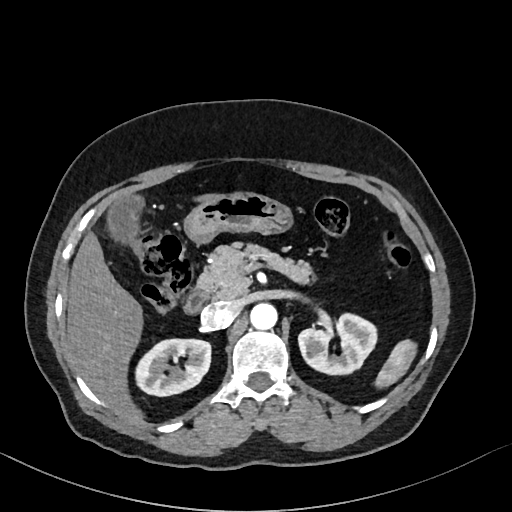 Abdominal CT. Axial slice 152/222. abdomen soft-tissue window. acquired on SOMATOM Force
{"organs":{"left kidney":[298,312,378,373],"stomach":[185,189,290,241],"spleen":[376,340,414,387],"liver":[67,234,142,422],"inferior vena cava":[201,301,238,328],"aorta":[250,302,277,329],"duodenum":[183,289,208,314],"right kidney":[135,338,210,396],"gall bladder":[110,198,139,240],"pancreas":[196,245,308,299]}}